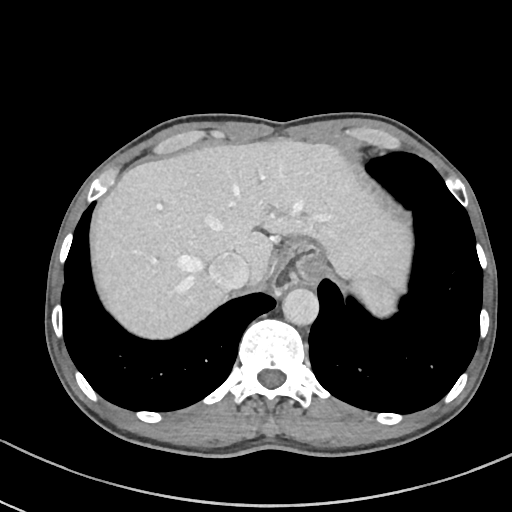 CT, abdomen/pelvis — Axial slice 181/306
{"organs":{"liver":[95,136,412,338],"stomach":[274,234,327,290],"inferior vena cava":[209,253,250,290],"aorta":[281,287,318,324],"spleen":[348,276,397,315]}}